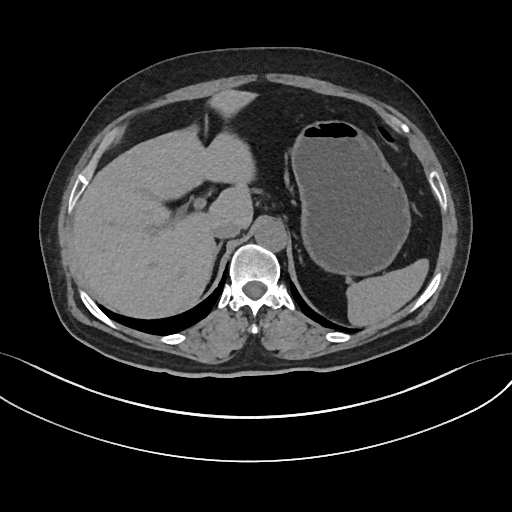 CT abdomen; axial view
<organs><organ name="spleen" x1="347" y1="258" x2="429" y2="326"/><organ name="gall bladder" x1="135" y1="184" x2="153" y2="199"/><organ name="liver" x1="72" y1="90" x2="253" y2="319"/><organ name="stomach" x1="290" y1="120" x2="410" y2="274"/><organ name="aorta" x1="254" y1="220" x2="286" y2="250"/><organ name="inferior vena cava" x1="212" y1="219" x2="240" y2="237"/><organ name="right adrenal gland" x1="214" y1="241" x2="222" y2="259"/></organs>